CT abdomen. axial view. 512x512 px. acquired on SOMATOM Force
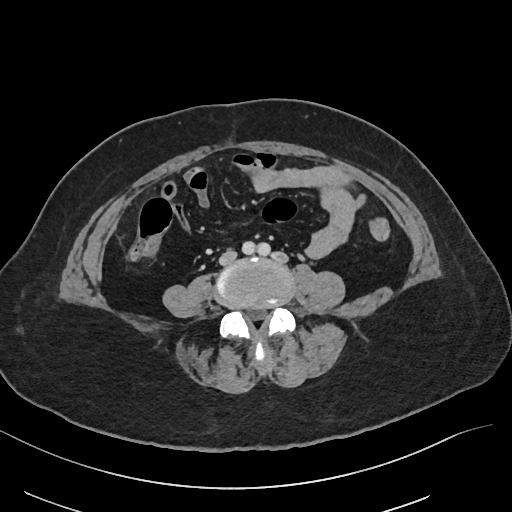
Boxes: x1 y1 x2 y2 (pixel coords, space-separated).
inferior vena cava: 219 250 236 264